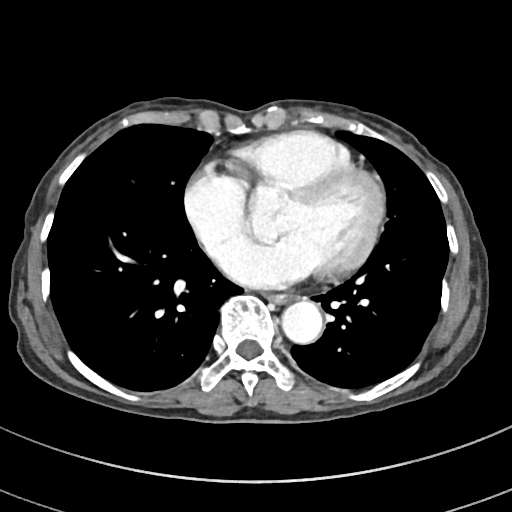
Abdominal CT; this slice is in the lower chest, just above the liver — axial view — acquired on SOMATOM Force
No part of the heart or lungs is labeled in this dataset, so neither has a box here.
Boxes are (x1, y1, x2, y2) in pixels.
esophagus: (269, 293, 291, 303)
aorta: (282, 300, 322, 343)